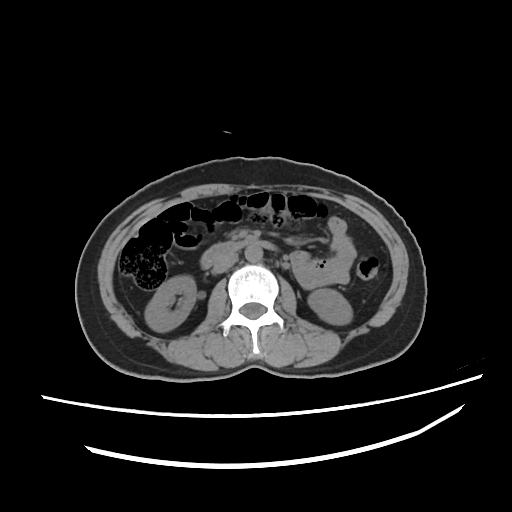
CT, abdomen/pelvis — axial view
<organs><organ name="aorta" x1="245" y1="246" x2="261" y2="262"/><organ name="inferior vena cava" x1="212" y1="251" x2="238" y2="273"/><organ name="duodenum" x1="201" y1="240" x2="280" y2="268"/><organ name="right kidney" x1="145" y1="277" x2="197" y2="330"/><organ name="left kidney" x1="308" y1="289" x2="352" y2="324"/></organs>